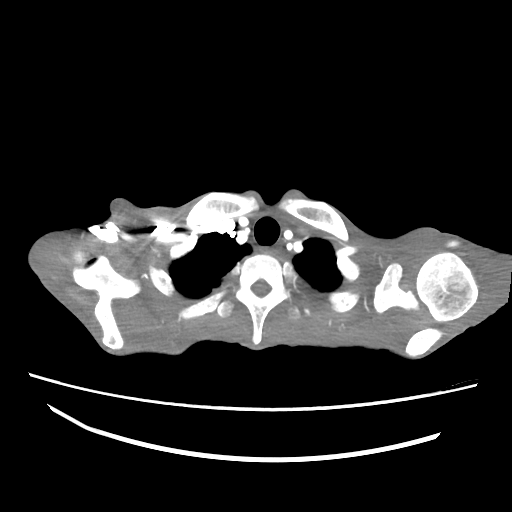 CT of the abdomen extending into the chest, slice through the chest · axial plane, index 119
At this level of the chest no structure but the esophagus and the aorta has a label in this dataset, and those two are boxed only where they are labeled.
{"organs":{"esophagus":[254,246,281,257]}}